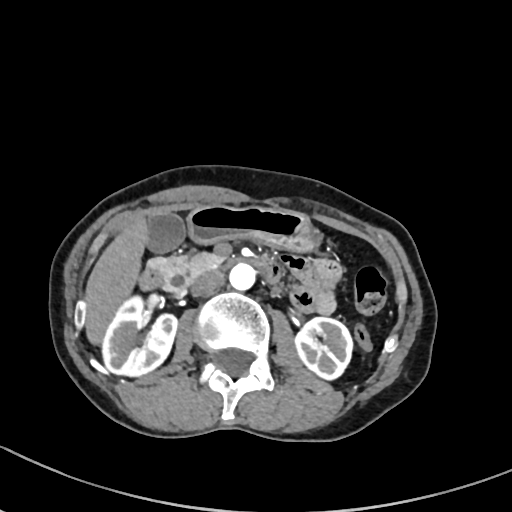 CT, abdomen/pelvis; axial plane, index 141; W/L 400/40 HU; 512x512 px
<organs><organ name="duodenum" x1="139" y1="257" x2="279" y2="290"/><organ name="aorta" x1="230" y1="264" x2="255" y2="289"/><organ name="stomach" x1="188" y1="205" x2="315" y2="249"/><organ name="inferior vena cava" x1="191" y1="271" x2="225" y2="296"/><organ name="gall bladder" x1="146" y1="213" x2="186" y2="252"/><organ name="liver" x1="86" y1="217" x2="147" y2="342"/><organ name="pancreas" x1="155" y1="251" x2="223" y2="290"/><organ name="left kidney" x1="294" y1="317" x2="352" y2="381"/><organ name="right kidney" x1="101" y1="294" x2="176" y2="375"/></organs>